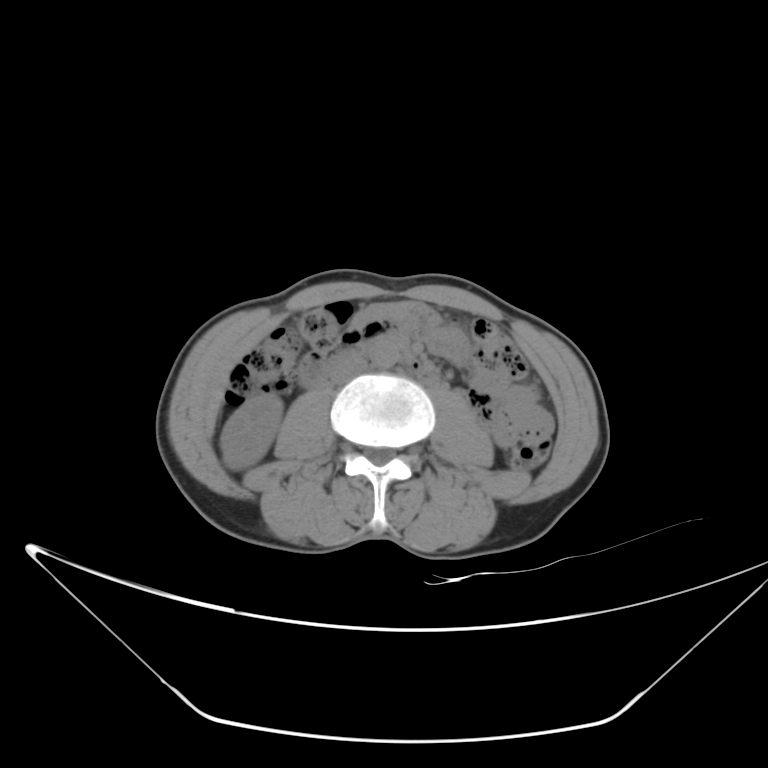
Computed tomography, abdomen. axial view. W/L 400/40 HU. 63-year-old male patient
<organs><organ name="right kidney" x1="220" y1="393" x2="281" y2="469"/><organ name="liver" x1="204" y1="374" x2="226" y2="439"/><organ name="aorta" x1="369" y1="339" x2="400" y2="368"/><organ name="inferior vena cava" x1="330" y1="356" x2="366" y2="384"/><organ name="duodenum" x1="300" y1="334" x2="439" y2="388"/></organs>